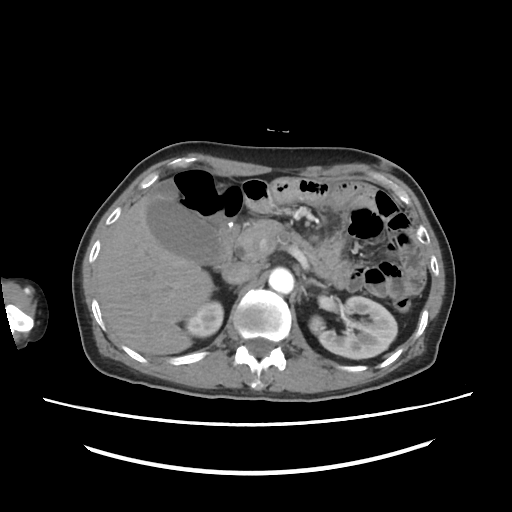
Computed tomography, abdomen. axial view. 14 organs annotated in this scan (counted over the whole 3D scan, not this slice; an organ is boxed only where this slice passes through it)
Bounding boxes as [x1, y1, x2, y2] in pixel coordinates. The annotated organs in this slice are: left kidney at [308, 297, 396, 357], aorta at [269, 267, 294, 292], inferior vena cava at [222, 264, 258, 283], pancreas at [235, 217, 333, 280], right adrenal gland at [230, 286, 231, 287], gall bladder at [145, 179, 244, 266], duodenum at [218, 221, 241, 263], left adrenal gland at [304, 279, 322, 287], right kidney at [185, 301, 223, 339], liver at [96, 189, 214, 354].